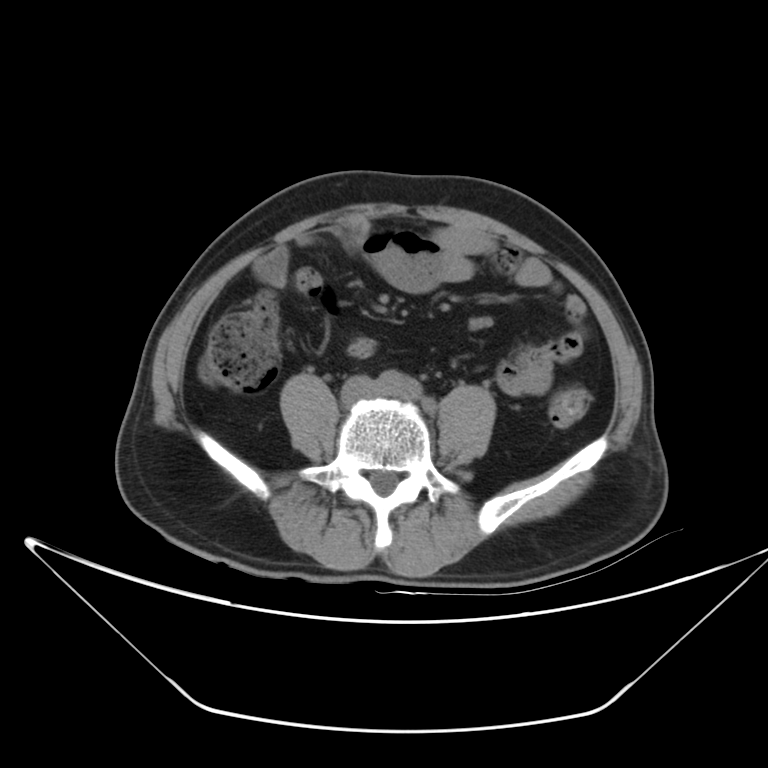 CT abdomen — Axial slice 41/93 — 56-year-old male patient — Brilliance16 scanner
Bounding boxes in pixels, one row per box: x1, y1 is the top-left corner and x2, y2 the bottom-right.
| organ | x1 | y1 | x2 | y2 |
|---|---|---|---|---|
| inferior vena cava | 347 | 378 | 374 | 396 |